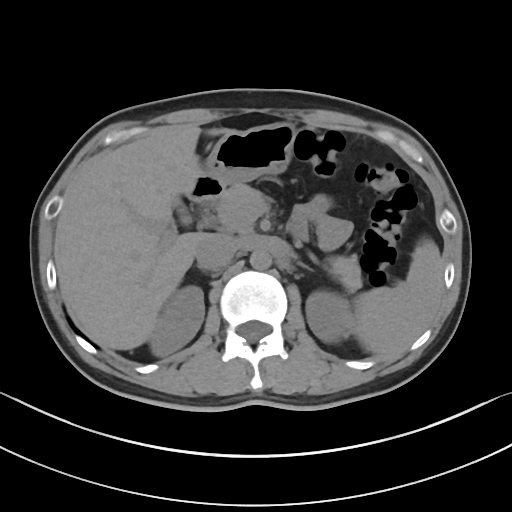
Abdominal CT — axial view — W/L 400/40 HU — 512x512 px
Coordinates as <box>x1,y1,x2,y2</box> in pixels.
Organ bounding boxes:
- spleen: <box>354,244,443,352</box>
- right kidney: <box>149,285,204,356</box>
- left kidney: <box>306,290,353,343</box>
- gall bladder: <box>176,203,190,223</box>
- liver: <box>55,125,233,350</box>
- stomach: <box>200,123,296,190</box>
- aorta: <box>249,249,272,270</box>
- inferior vena cava: <box>195,234,238,270</box>
- pancreas: <box>214,184,362,291</box>
- left adrenal gland: <box>302,265,311,270</box>
- duodenum: <box>189,175,223,204</box>